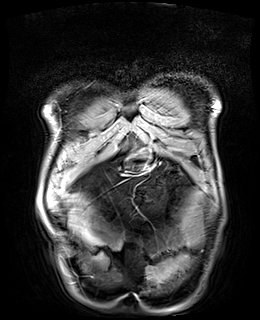
MRI, abdomen · coronal view · acquired on Prisma
Bounding boxes as [x1, y1, x2, y2] in pixel coordinates. The annotated organs in this slice are: stomach at [127, 150, 150, 167].